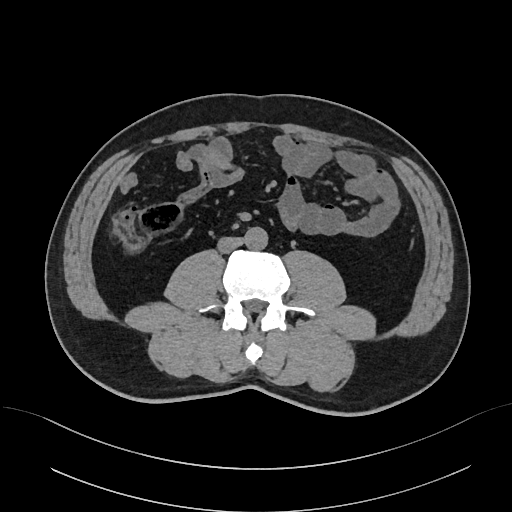
Computed tomography, abdomen · Axial slice 127/265 · abdomen soft-tissue window · scan has 15 labeled organs (counted over the whole 3D scan, not this slice; an organ is boxed only where this slice passes through it)
One row per box, in pixels: columns x1 and y1 give the top-left corner, x2 and y2 the bottom-right.
| organ | x1 | y1 | x2 | y2 |
|---|---|---|---|---|
| aorta | 244 | 227 | 267 | 249 |
| inferior vena cava | 217 | 237 | 243 | 253 |